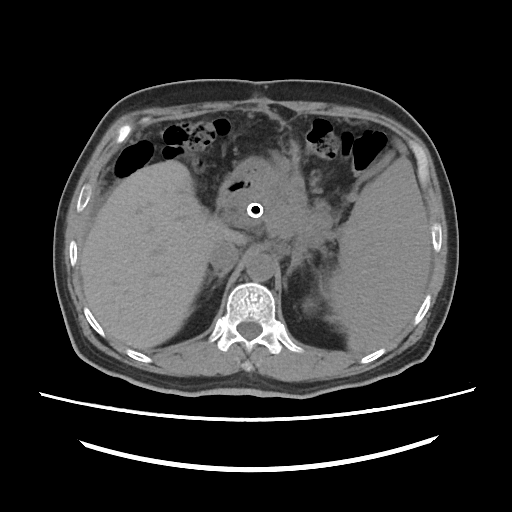 Abdominal CT · axial view · abdomen soft-tissue window · 49-year-old male patient · acquired on Aquilion ONE
Bounding boxes as [x1, y1, x2, y2] in pixel coordinates.
Organ bounding boxes:
- spleen: [323, 158, 430, 350]
- left kidney: [303, 299, 315, 312]
- liver: [80, 160, 247, 349]
- stomach: [229, 157, 285, 195]
- aorta: [246, 253, 275, 281]
- inferior vena cava: [209, 240, 239, 271]
- pancreas: [255, 179, 331, 240]
- right adrenal gland: [206, 271, 227, 289]
- left adrenal gland: [282, 250, 309, 287]
- duodenum: [216, 179, 254, 210]